Abdominal CT. axial view. soft-tissue window (W 400 / L 40)
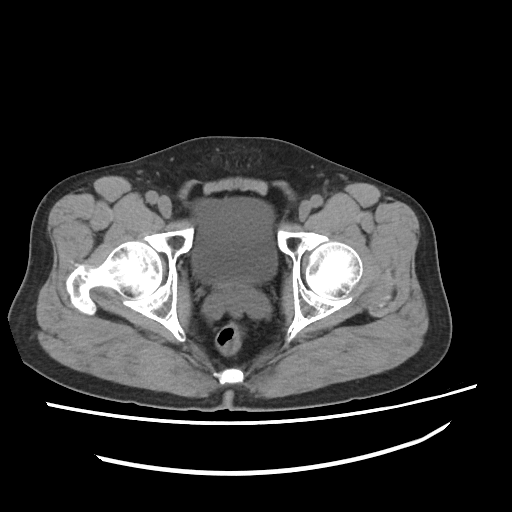

{"organs":{"bladder":[191,196,276,286],"prostate/uterus":[214,283,253,299]}}